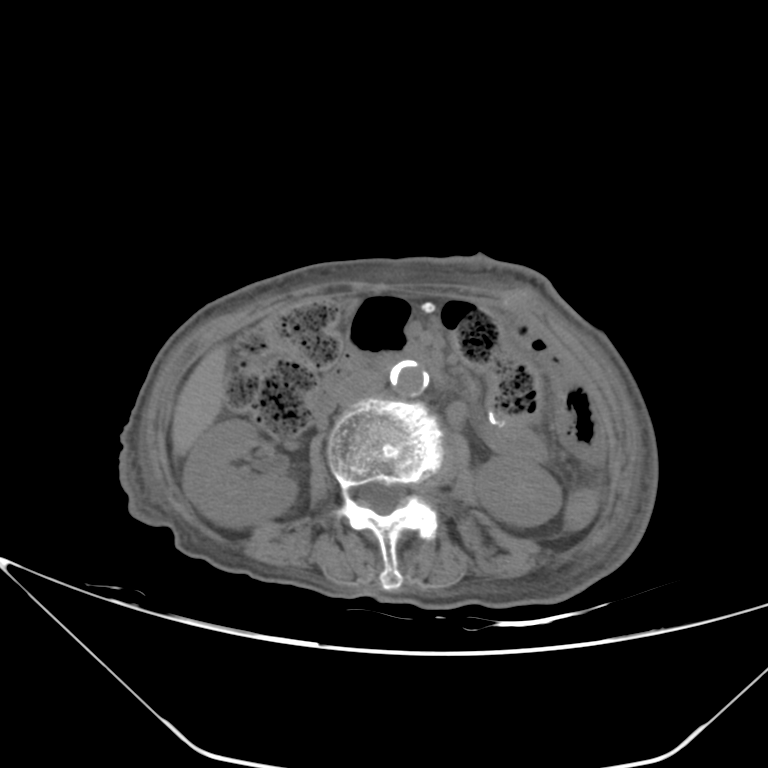 Abdominal CT · axial plane, index 53 · soft-tissue window · 14 organs annotated in this scan (a whole-scan count: organs this slice does not pass through have no box)
Boxes: x1 y1 x2 y2 (pixel coords, space-separated).
Organ bounding boxes:
- left kidney: 474 456 562 526
- liver: 171 346 227 456
- right kidney: 183 419 296 527
- duodenum: 314 350 425 418
- aorta: 390 360 428 396
- inferior vena cava: 337 372 383 406